Abdominal CT — axial view — soft-tissue window (W 400 / L 40) — 15 organs annotated in this scan (that count is for the whole scan; organs this slice misses have no box)
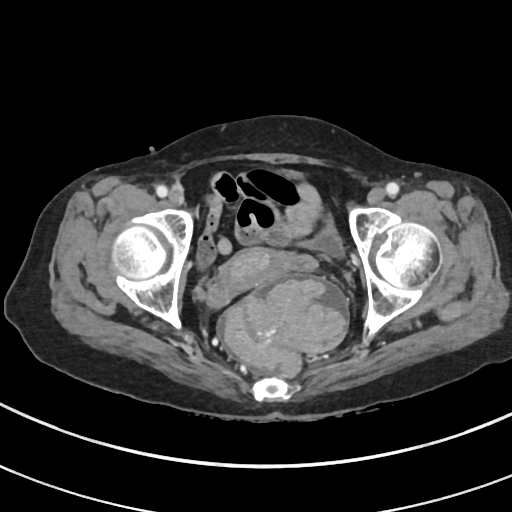
Each box given as x1,y1,x2,y2.
Organ bounding boxes:
- prostate/uterus: x1=216, y1=248, x2=292, y2=296
- bladder: x1=284, y1=170, x2=343, y2=256